Abdominal CT. axial view. acquired on SOMATOM Force
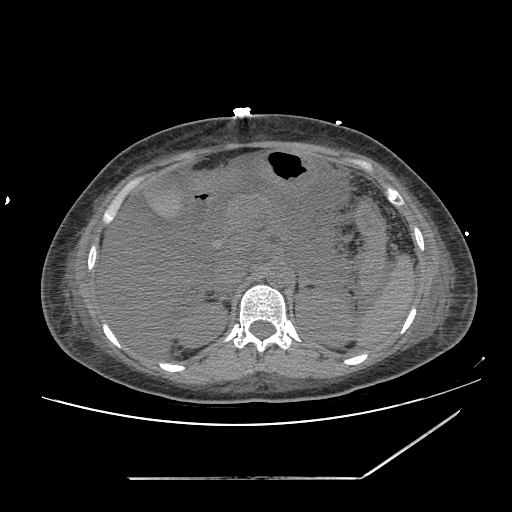
Box edges are left/top/right/bottom in pixels.
spleen: left=351, top=254, right=415, bottom=348
right kidney: left=176, top=304, right=226, bottom=347
left kidney: left=296, top=290, right=352, bottom=346
gall bladder: left=144, top=177, right=183, bottom=222
liver: left=96, top=196, right=199, bottom=358
stomach: left=188, top=147, right=317, bottom=192
aorta: left=267, top=264, right=292, bottom=288
inferior vena cava: left=215, top=261, right=246, bottom=293
pancreas: left=223, top=194, right=301, bottom=293
right adrenal gland: left=196, top=285, right=226, bottom=302
left adrenal gland: left=297, top=274, right=324, bottom=292
duodenum: left=188, top=191, right=217, bottom=242